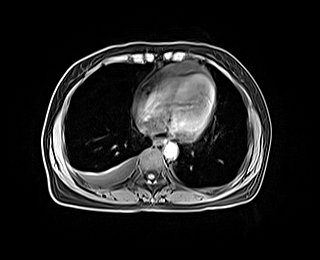

Lower-chest slice from an abdominal MRI, just above the liver and spleen. axial view. percentile-normalized. Prisma scanner
The heart and lungs are never labeled in this dataset, so they have no box on this slice.
Box edges are left/top/right/bottom in pixels.
esophagus: left=154, top=138, right=163, bottom=145
aorta: left=163, top=143, right=177, bottom=158
inferior vena cava: left=138, top=124, right=151, bottom=133